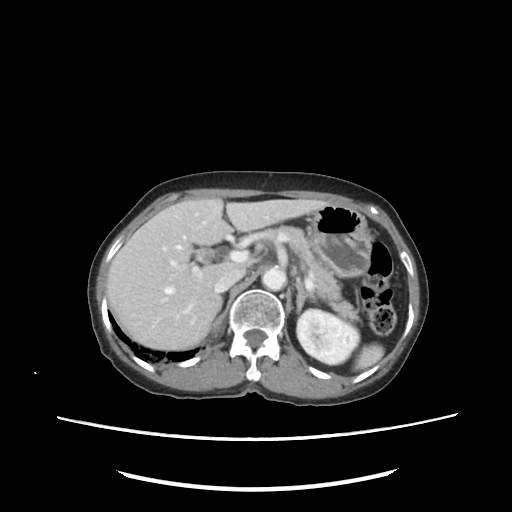 CT, abdomen/pelvis; axial plane, index 67; soft-tissue window; scan has 15 labeled organs (a whole-scan count: organs this slice does not pass through have no box)
Box edges are left/top/right/bottom in pixels.
Organ bounding boxes:
- spleen: left=354, top=344, right=384, bottom=371
- left kidney: left=297, top=309, right=359, bottom=364
- liver: left=107, top=198, right=330, bottom=348
- stomach: left=306, top=204, right=374, bottom=277
- aorta: left=262, top=267, right=286, bottom=289
- inferior vena cava: left=214, top=269, right=244, bottom=291
- pancreas: left=262, top=227, right=359, bottom=331
- right adrenal gland: left=220, top=298, right=223, bottom=306
- left adrenal gland: left=295, top=275, right=317, bottom=314